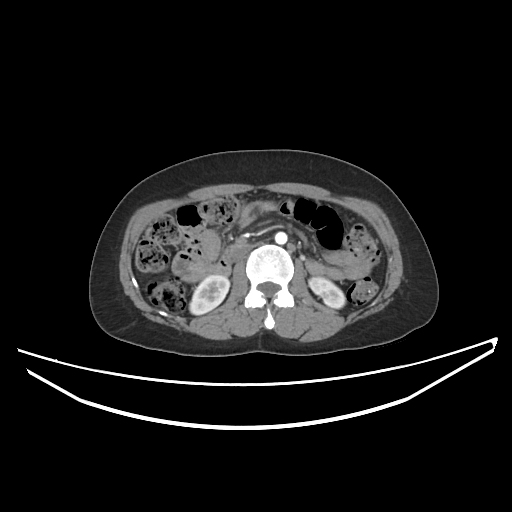
Abdominal CT · axial view · soft-tissue window (W 400 / L 40)
Each box given as x1,y1,x2,y2.
Organ bounding boxes:
- right kidney: x1=189, y1=275, x2=229, y2=314
- left kidney: x1=309, y1=277, x2=345, y2=308
- aorta: x1=275, y1=232, x2=287, y2=244
- inferior vena cava: x1=234, y1=244, x2=254, y2=261
- duodenum: x1=216, y1=245, x2=237, y2=274